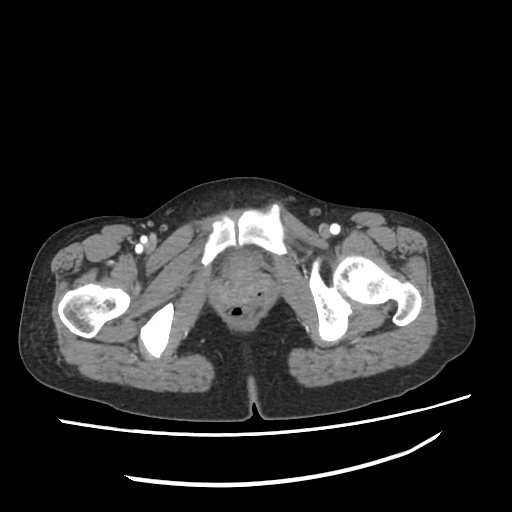 Abdominal CT · Axial slice 3/78 · W/L 400/40 HU
<organs><organ name="bladder" x1="225" y1="254" x2="257" y2="276"/></organs>